CT, abdomen/pelvis. axial view
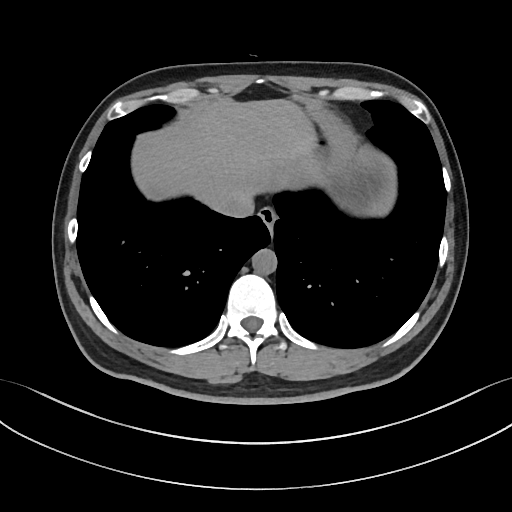 Each box given as x1,y1,x2,y2. 5 labeled organs on this slice — esophagus at x1=259, y1=206, x2=276, y2=228; liver at x1=137, y1=100, x2=324, y2=205; stomach at x1=341, y1=156, x2=389, y2=207; aorta at x1=252, y1=248, x2=277, y2=274; inferior vena cava at x1=215, y1=195, x2=255, y2=217.